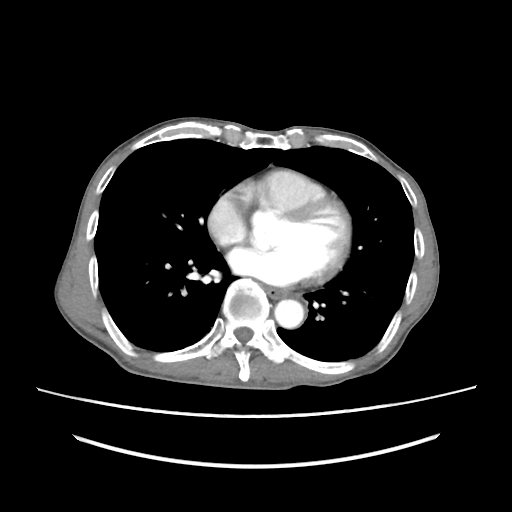
Chest-level CT slice, above the liver and spleen. Axial slice 90/126. scan has 15 labeled organs (a whole-scan count: organs this slice does not pass through have no box)
On a slice this high in the chest, this dataset labels only the esophagus and the aorta, and each is boxed only where it is labeled; the heart, lungs and other chest structures are not labeled.
Coordinates as <box>x1,y1,x2,y2</box> in pixels.
esophagus: <box>266,287,290,298</box>
aorta: <box>274,299,304,328</box>